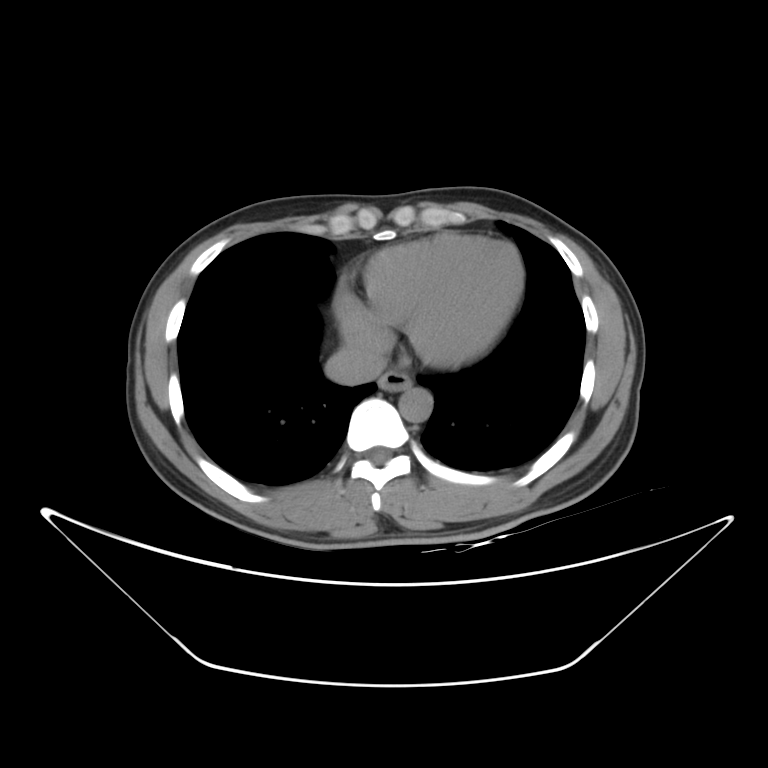
Lower-chest slice from an abdominal CT, just above the liver and spleen; axial view; 768x768 px
No part of the heart or lungs is labeled in this dataset, so neither has a box here.
{"organs":{"esophagus":[378,370,411,391],"aorta":[399,387,432,423],"inferior vena cava":[325,346,384,385]}}